CT, abdomen/pelvis — axial plane, index 184
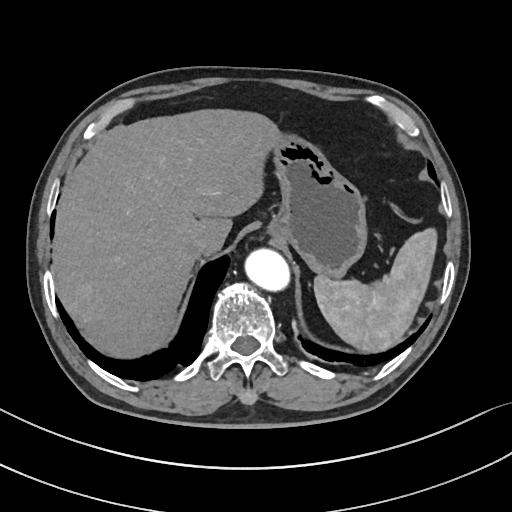
<organs><organ name="spleen" x1="314" y1="228" x2="437" y2="352"/><organ name="liver" x1="52" y1="109" x2="278" y2="357"/><organ name="stomach" x1="268" y1="132" x2="366" y2="277"/><organ name="aorta" x1="245" y1="248" x2="289" y2="290"/><organ name="inferior vena cava" x1="183" y1="233" x2="208" y2="255"/></organs>